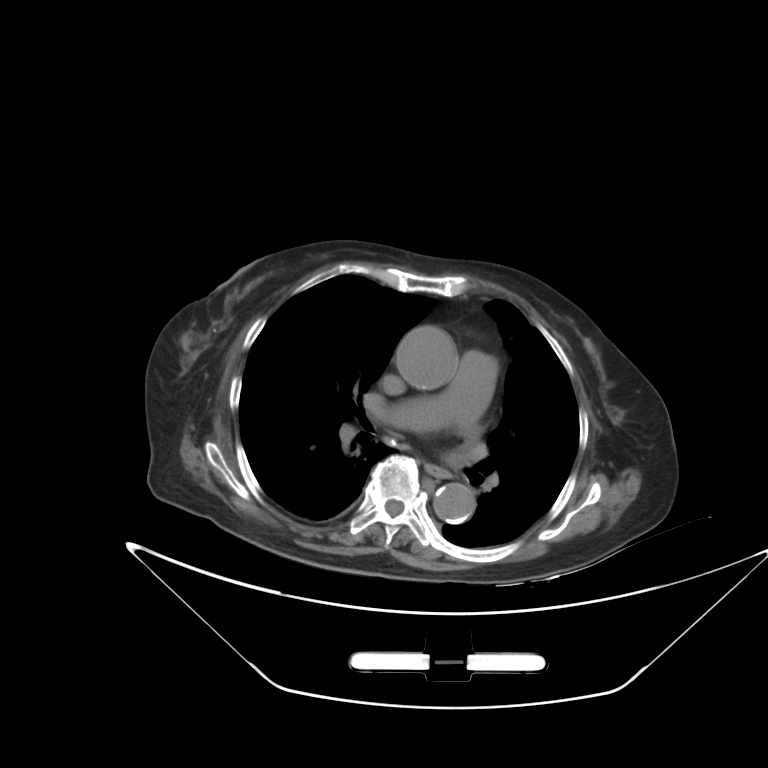

CT of the abdomen reaching into the lower chest, slice just above the liver and spleen. Axial slice 101/105. W/L 400/40 HU. 15 organs annotated in this scan (a whole-scan count: organs this slice does not pass through have no box)
The heart and lungs are never labeled in this dataset, so they have no box on this slice.
Box edges are left/top/right/bottom in pixels.
Organ bounding boxes:
- esophagus: left=424, top=463, right=450, bottom=476
- aorta: left=395, top=327, right=455, bottom=389
- aorta: left=433, top=483, right=475, bottom=523